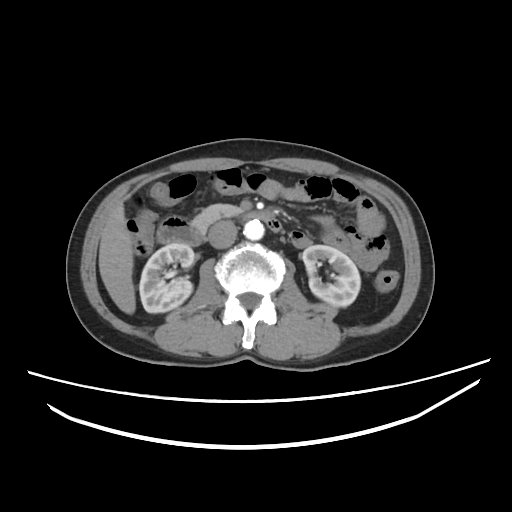
CT abdomen. Axial slice 30/109. abdomen soft-tissue window
Boxes: x1:y1:x2:y2 in pixels. Labeled organs on this slice: duodenum at 157:211:281:245, inferior vena cava at 208:220:237:248, pancreas at 192:204:241:230, left kidney at 302:245:360:306, aorta at 243:220:264:240, right kidney at 139:243:194:313, liver at 98:205:135:314.